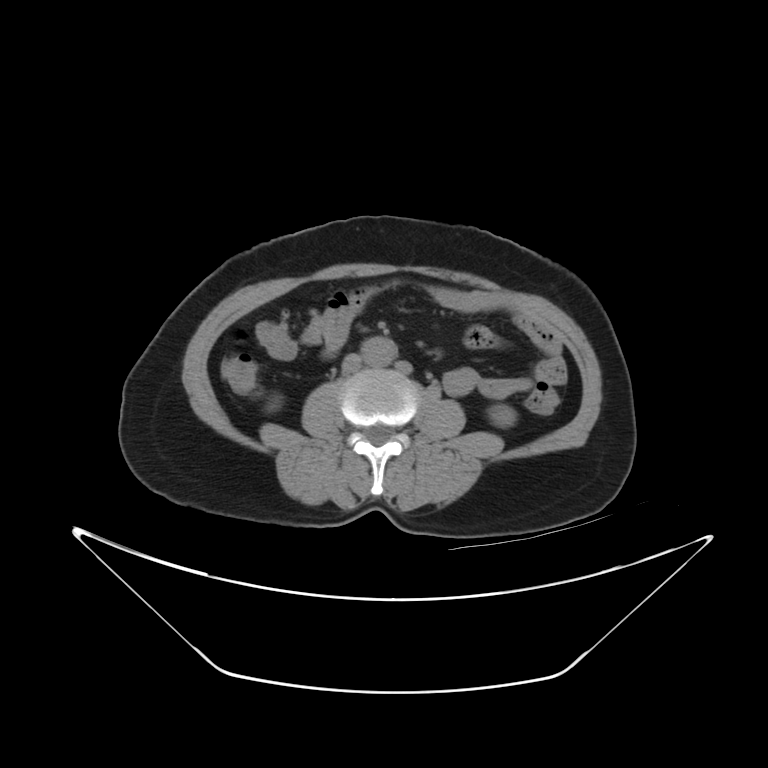 Abdominal CT · axial view · W/L 400/40 HU · 768x768 px · Brilliance16 scanner · 15 organs annotated in this scan (a whole-scan count: organs this slice does not pass through have no box)
{"organs":{"right kidney":[265,395,284,410],"left kidney":[489,406,514,426],"aorta":[362,336,397,365],"inferior vena cava":[342,355,360,375]}}